Abdominal CT; this slice is in the lower chest, just above the liver — axial view — soft-tissue window (W 400 / L 40) — scan has 15 labeled organs (counted over the whole 3D scan, not this slice; an organ is boxed only where this slice passes through it)
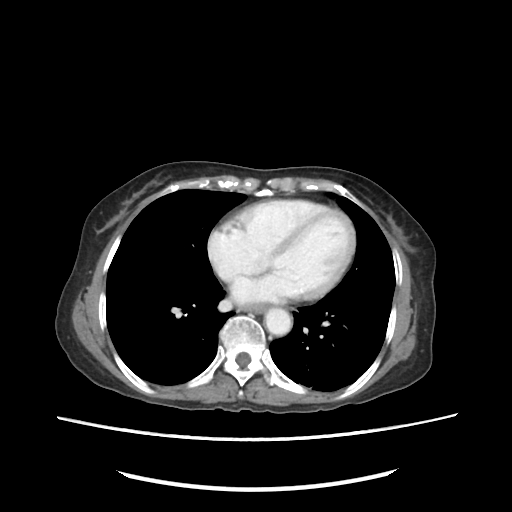

No part of the heart or lungs is labeled in this dataset, so neither has a box here.
<organs><organ name="esophagus" x1="241" y1="307" x2="265" y2="312"/><organ name="aorta" x1="264" y1="309" x2="292" y2="335"/></organs>